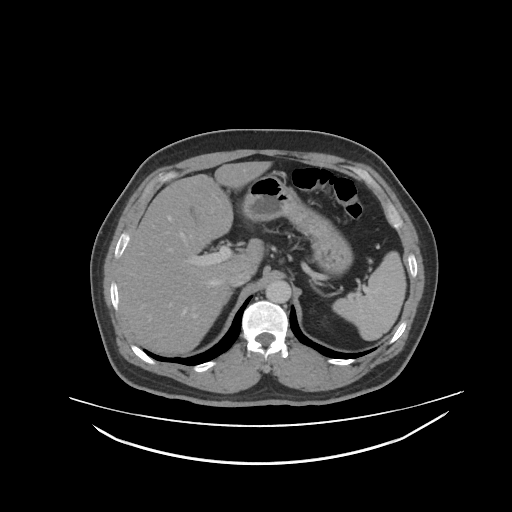 CT, abdomen/pelvis; axial view; soft-tissue window (W 400 / L 40); 45-year-old male patient
Boxes are (x1, y1, x2, y2) in pixels.
Organ bounding boxes:
- left adrenal gland: (309, 279, 327, 297)
- inferior vena cava: (229, 268, 250, 286)
- right adrenal gland: (231, 288, 235, 296)
- spleen: (331, 250, 407, 341)
- stomach: (240, 174, 353, 275)
- liver: (118, 161, 272, 355)
- aorta: (266, 280, 291, 303)